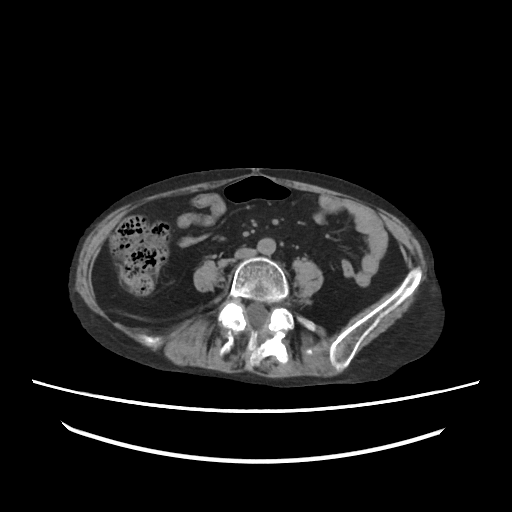 CT abdomen · axial plane, index 40 · Aquilion ONE scanner
Each box given as x1,y1,x2,y2.
aorta: x1=257, y1=238, x2=275, y2=255
inferior vena cava: x1=235, y1=247, x2=255, y2=258